Computed tomography, abdomen; axial view
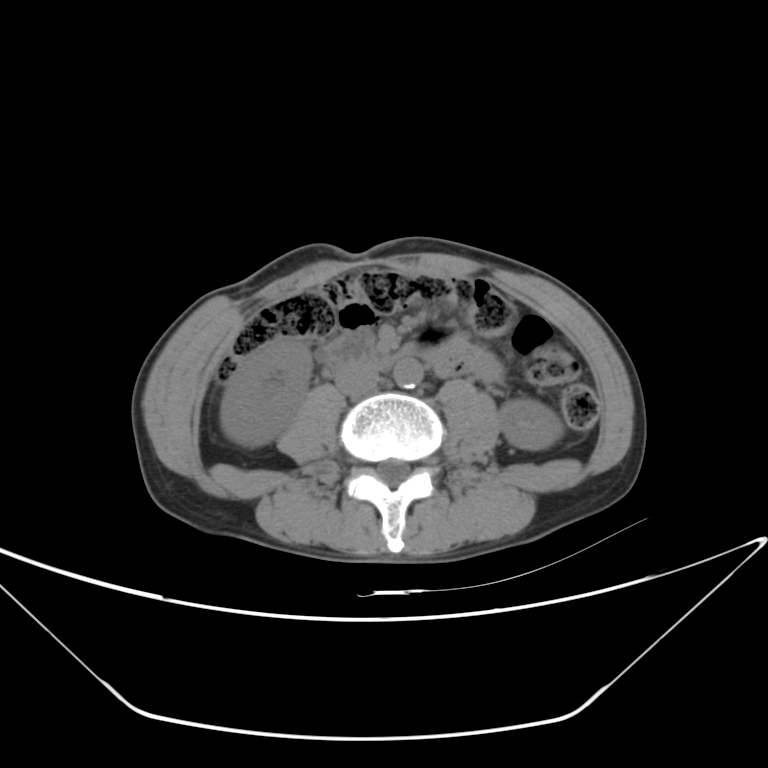
Boxes are (x1, y1, x2, y2) in pixels. 5 labeled organs on this slice — right kidney at (220, 337, 311, 447); left kidney at (499, 399, 562, 450); aorta at (392, 357, 422, 388); inferior vena cava at (336, 363, 379, 396); duodenum at (321, 327, 376, 369).